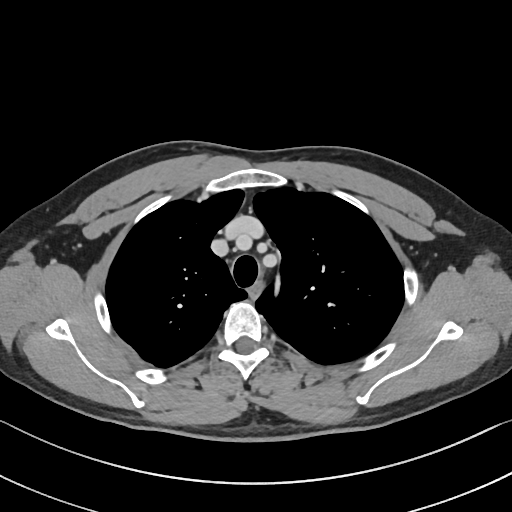
Chest-level slice from an abdominal CT that extends up into the chest · axial view · soft-tissue window, W/L 400/40 · 512x512 px
At this level of the chest this dataset labels only the esophagus and the aorta, and each is boxed only where it is labeled; the heart and lungs are never labeled.
Boxes are (x1, y1, x2, y2) in pixels.
esophagus: (249, 282, 263, 300)